CT abdomen; axial plane, index 56; acquired on SOMATOM Force; 15 organs annotated in this scan (a whole-scan count: organs this slice does not pass through have no box)
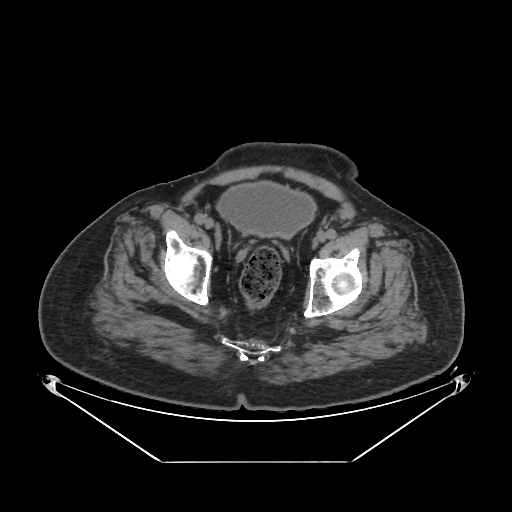
Each box given as x1,y1,x2,y2. 1 labeled organ on this slice — bladder at x1=216, y1=180, x2=317, y2=236.